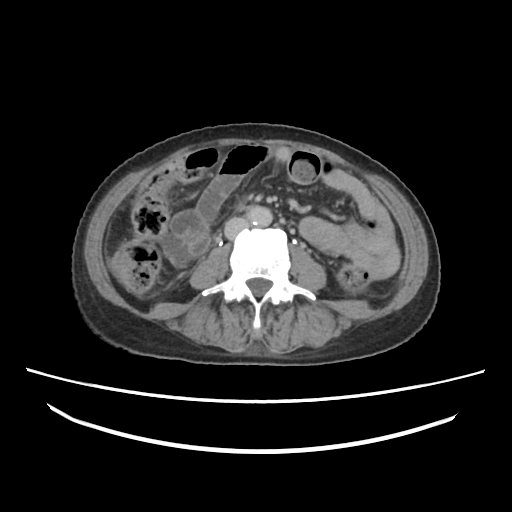

CT abdomen — axial view
Boxes are (x1, y1, x2, y2) in pixels. 2 labeled organs on this slice — aorta at (253, 206, 273, 226); inferior vena cava at (224, 217, 248, 237).